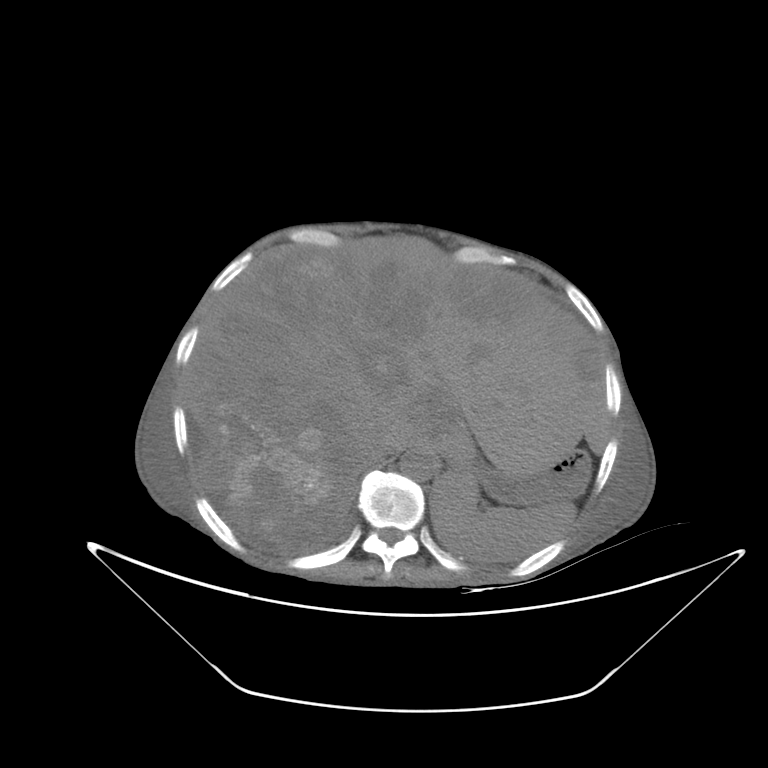
Abdominal CT. axial view. 768x768 px
Each box given as x1,y1,x2,y2.
Organ bounding boxes:
- spleen: x1=429, y1=468, x2=576, y2=561
- liver: x1=186, y1=238, x2=607, y2=549
- stomach: x1=451, y1=450, x2=589, y2=504
- aorta: x1=399, y1=448, x2=438, y2=481
- inferior vena cava: x1=371, y1=441, x2=408, y2=464